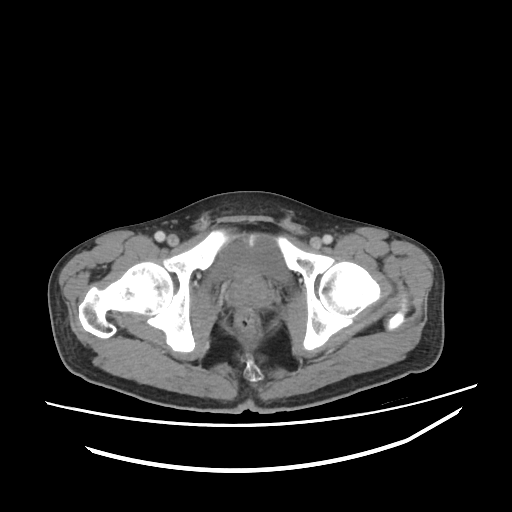

Abdominal CT · axial view · 49-year-old male patient
<organs><organ name="bladder" x1="214" y1="243" x2="286" y2="279"/><organ name="prostate/uterus" x1="227" y1="272" x2="272" y2="307"/></organs>